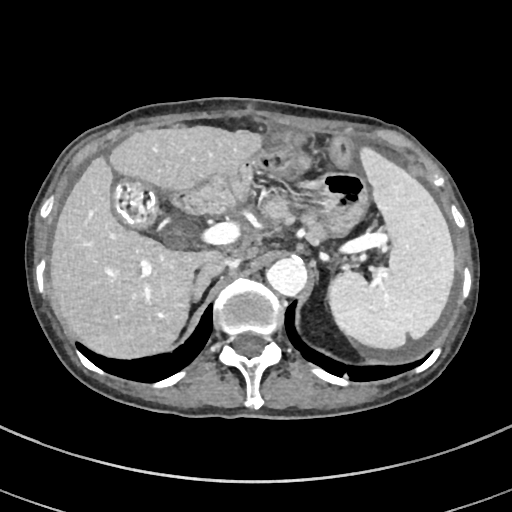
Computed tomography, abdomen. axial view
<organs><organ name="aorta" x1="266" y1="257" x2="306" y2="295"/><organ name="pancreas" x1="261" y1="189" x2="327" y2="240"/><organ name="right adrenal gland" x1="192" y1="264" x2="222" y2="301"/><organ name="spleen" x1="328" y1="147" x2="454" y2="349"/><organ name="liver" x1="50" y1="125" x2="262" y2="358"/><organ name="inferior vena cava" x1="202" y1="255" x2="240" y2="268"/><organ name="gall bladder" x1="114" y1="177" x2="158" y2="227"/></organs>